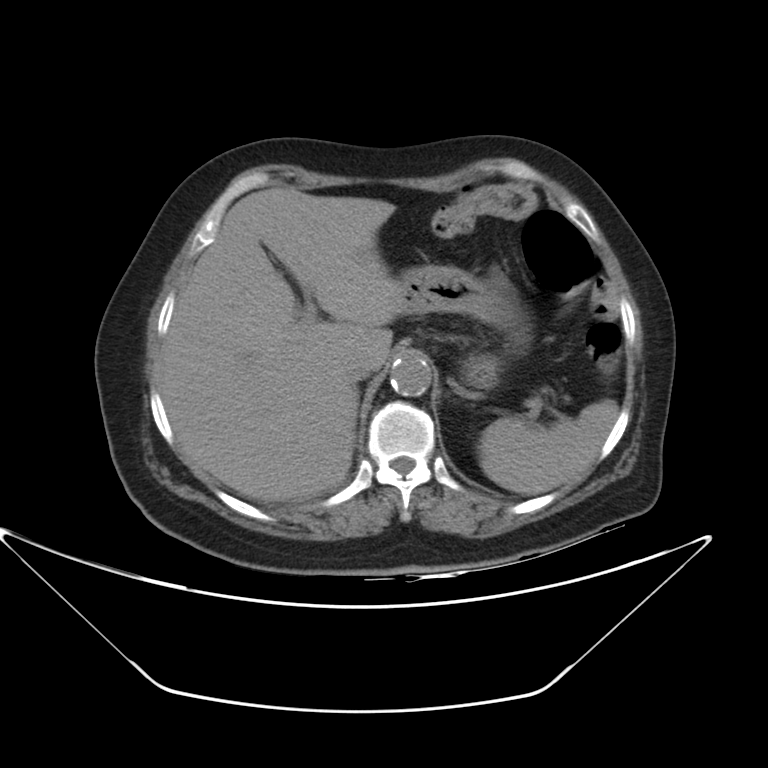 Abdominal CT — axial plane, index 75 — W/L 400/40 HU — acquired on Brilliance16
Bounding boxes as [x1, y1, x2, y2] in pixel coordinates. Labeled organs on this slice: stomach at [397, 265, 515, 384], pancreas at [529, 399, 538, 408], aorta at [391, 356, 432, 396], spleen at [478, 399, 619, 495], inferior vena cava at [345, 356, 376, 383], liver at [163, 186, 402, 502].